Computed tomography, abdomen — Axial slice 143/234
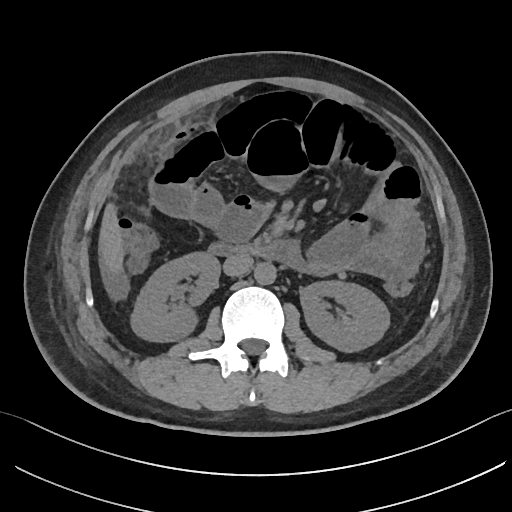

{"organs":{"right kidney":[131,252,219,342],"left kidney":[299,280,390,352],"liver":[97,201,125,272],"aorta":[254,262,276,285],"inferior vena cava":[223,254,253,276],"duodenum":[208,242,299,266]}}